CT abdomen. axial view. W/L 400/40 HU. 512x512 px. 50-year-old male patient
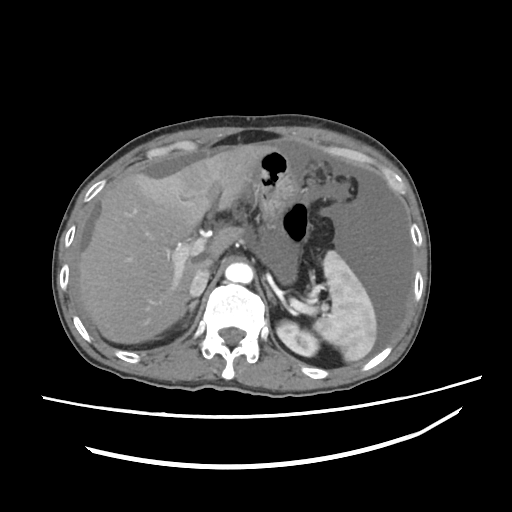

Coordinates as <box>x1,y1,x2,y2</box> in pixels. Labeled organs on this slice: left adrenal gland at <box>264,285,275,302</box>, spleen at <box>315,252,377,360</box>, right adrenal gland at <box>182,300,198,327</box>, aorta at <box>226,263,254,283</box>, inferior vena cava at <box>189,259,211,295</box>, liver at <box>78,142,275,343</box>, left kidney at <box>276,321,319,356</box>, stomach at <box>253,148,299,230</box>.